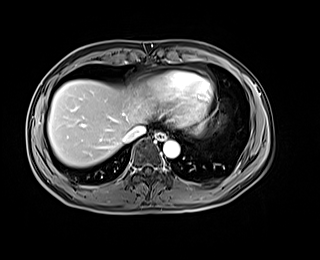

Abdominal MRI — axial plane, index 47 — 320x260 px
One row per box, in pixels: columns x1 and y1 give the top-left corner, x2 and y2 the bottom-right.
| organ | x1 | y1 | x2 | y2 |
|---|---|---|---|---|
| liver | 47 | 80 | 201 | 167 |
| aorta | 163 | 140 | 179 | 157 |
| inferior vena cava | 123 | 125 | 145 | 142 |
| esophagus | 155 | 132 | 166 | 140 |